Abdominal CT; this slice is in the lower chest, just above the liver; axial view; soft-tissue window (W 400 / L 40); 65-year-old male patient; Aquilion ONE scanner
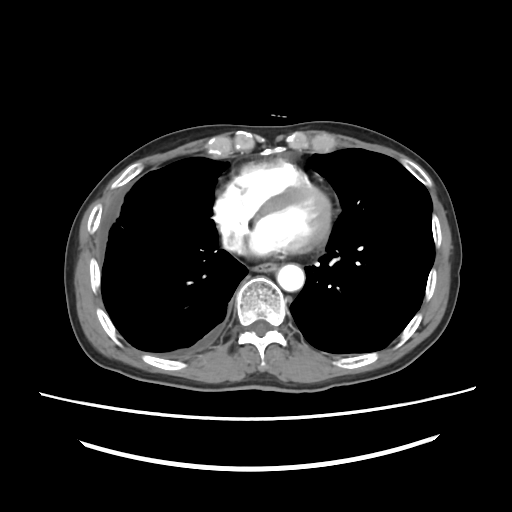 No part of the heart or lungs is labeled in this dataset, so neither has a box here.
Coordinates as <box>x1,y1,x2,y2</box> in pixels.
Organ bounding boxes:
- inferior vena cava: <box>223,229,244,252</box>
- esophagus: <box>253,263,277,271</box>
- aorta: <box>277,264,304,291</box>